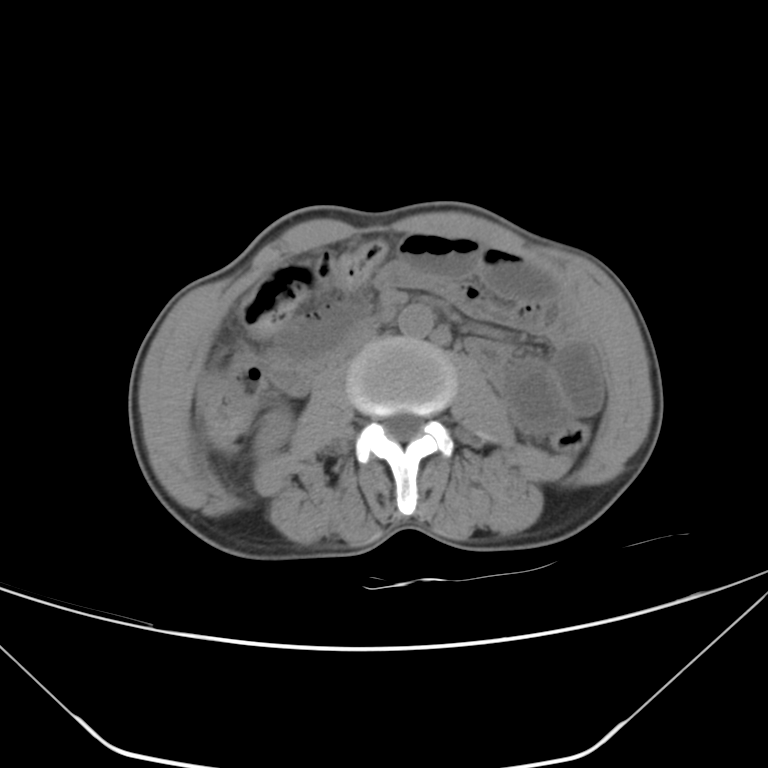 CT, abdomen/pelvis · axial view · 768x768 px
Box edges are left/top/right/bottom in pixels. Labeled organs on this slice: aorta at left=397, top=305, right=433, bottom=338, right kidney at left=255, top=406, right=291, bottom=457, inferior vena cava at left=332, top=327, right=378, bottom=361, duodenum at left=273, top=353, right=328, bottom=391.